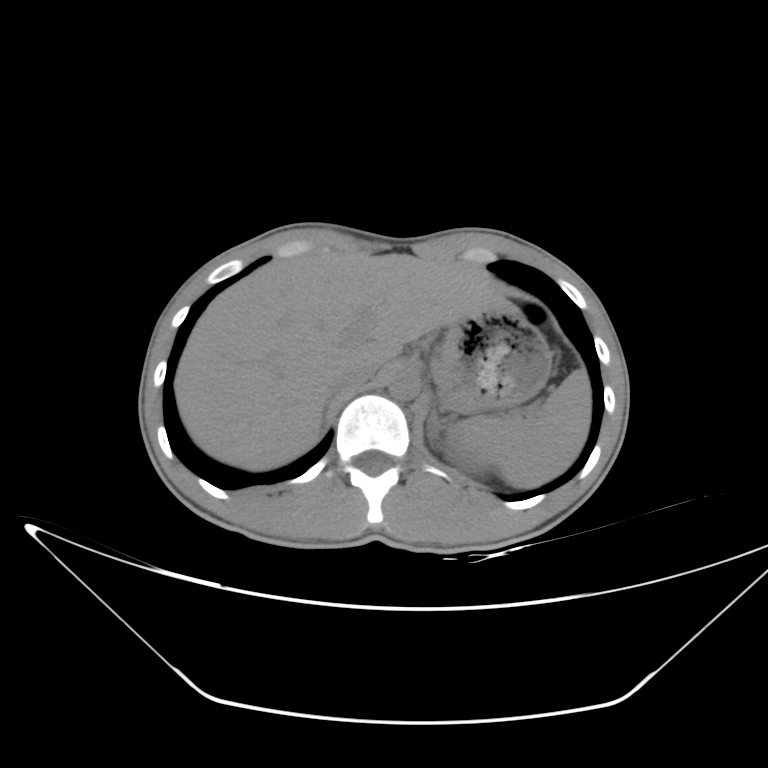 Computed tomography, abdomen. axial plane, index 64. soft-tissue window (W 400 / L 40). 768x768 px. acquired on Aquilion ONE
Boxes: x1:y1:x2:y2 in pixels.
spleen: 448:369:591:489
left kidney: 446:437:490:472
liver: 174:249:506:471
stomach: 431:303:550:411
aorta: 388:371:420:401
inferior vena cava: 331:362:379:392
left adrenal gland: 428:410:445:445